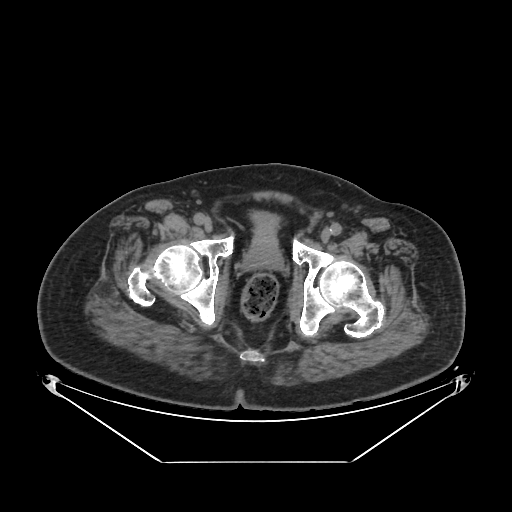 Abdominal CT. axial view. 15 organs annotated in this scan (counted over the whole 3D scan, not this slice; an organ is boxed only where this slice passes through it)
{"organs":{"prostate/uterus":[245,239,279,267],"bladder":[249,211,280,264]}}